Abdominal CT; axial view; soft-tissue window (W 400 / L 40); 512x512 px; scan has 15 labeled organs (a whole-scan count: organs this slice does not pass through have no box)
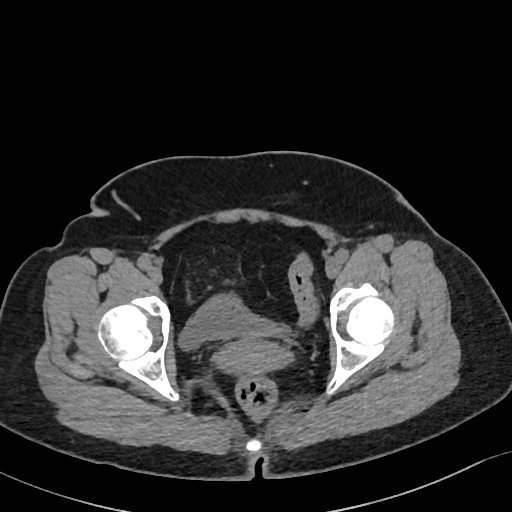

<organs><organ name="bladder" x1="178" y1="294" x2="280" y2="350"/><organ name="prostate/uterus" x1="213" y1="339" x2="291" y2="374"/></organs>